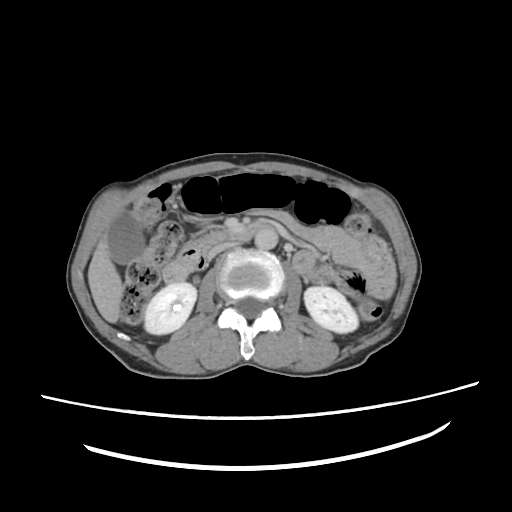

CT abdomen. axial view. abdomen soft-tissue window. 512x512 px. 72-year-old male patient. acquired on Aquilion ONE
One row per box, in pixels: columns x1 and y1 give the top-left corner, x2 and y2 the bottom-right.
| organ | x1 | y1 | x2 | y2 |
|---|---|---|---|---|
| right kidney | 143 | 282 | 196 | 335 |
| left kidney | 305 | 286 | 359 | 333 |
| gall bladder | 105 | 209 | 143 | 263 |
| liver | 88 | 206 | 123 | 323 |
| aorta | 255 | 227 | 277 | 249 |
| inferior vena cava | 207 | 241 | 242 | 258 |
| pancreas | 194 | 229 | 227 | 248 |
| duodenum | 164 | 225 | 261 | 283 |